Abdominal MRI · Axial slice 48/72 · scan has 13 labeled organs (counted over the whole 3D scan, not this slice; an organ is boxed only where this slice passes through it)
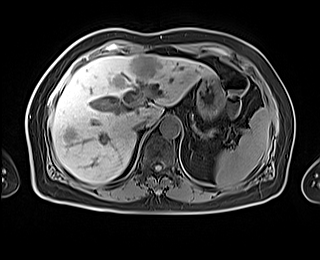
Box edges are left/top/right/bottom in pixels.
liver: left=51, top=54, right=214, bottom=183
aorta: left=159, top=117, right=179, bottom=137
spleen: left=215, top=108, right=270, bottom=187
inferior vena cava: left=133, top=120, right=147, bottom=133
stomach: left=196, top=76, right=224, bottom=120